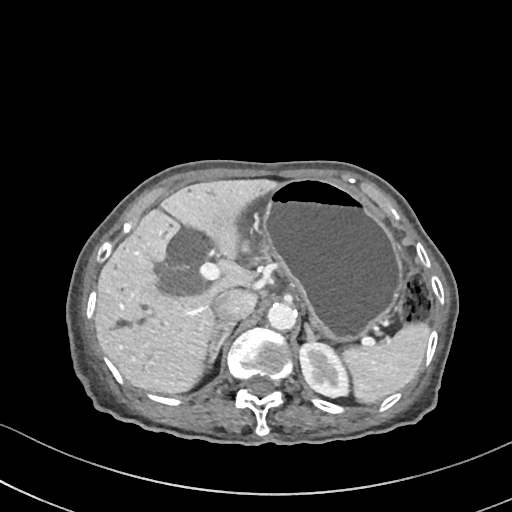
CT abdomen. axial view. scan has 15 labeled organs (a whole-scan count: organs this slice does not pass through have no box)
<organs><organ name="inferior vena cava" x1="213" y1="289" x2="256" y2="321"/><organ name="spleen" x1="343" y1="322" x2="429" y2="403"/><organ name="left adrenal gland" x1="304" y1="323" x2="318" y2="341"/><organ name="right adrenal gland" x1="207" y1="322" x2="235" y2="366"/><organ name="liver" x1="94" y1="179" x2="280" y2="393"/><organ name="aorta" x1="267" y1="302" x2="296" y2="330"/><organ name="stomach" x1="263" y1="179" x2="402" y2="340"/><organ name="left kidney" x1="299" y1="342" x2="349" y2="397"/><organ name="pancreas" x1="239" y1="239" x2="273" y2="265"/><organ name="gall bladder" x1="157" y1="268" x2="202" y2="296"/></organs>